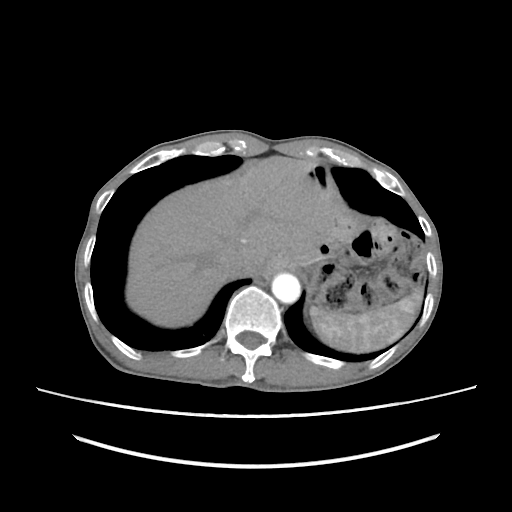
Computed tomography, abdomen — Axial slice 76/126 — 512x512 px — acquired on Aquilion ONE — 15 organs annotated in this scan (a whole-scan count: organs this slice does not pass through have no box)
Bounding boxes as [x1, y1, x2, y2] in pixel coordinates.
stomach: [347, 306, 349, 307]
liver: [126, 156, 341, 327]
spleen: [310, 287, 423, 352]
aorta: [271, 273, 300, 303]
inferior vena cava: [219, 251, 248, 276]